Abdominal CT. axial plane, index 18. 512x512 px. SOMATOM Force scanner
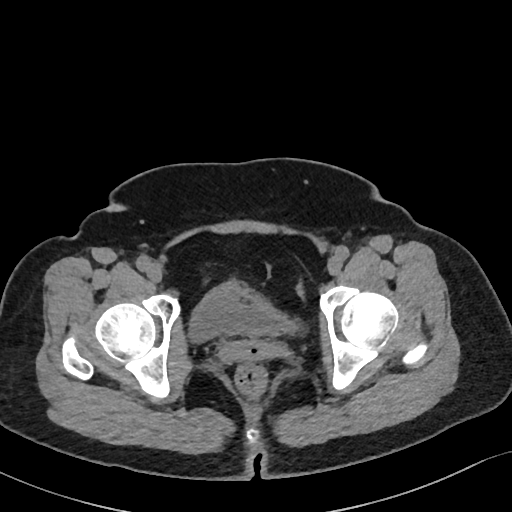

Bounding boxes as [x1, y1, x2, y2] in pixel coordinates. The annotated organs in this slice are: bladder at [189, 283, 297, 342].